Abdominal CT — axial view — W/L 400/40 HU — 56-year-old male patient
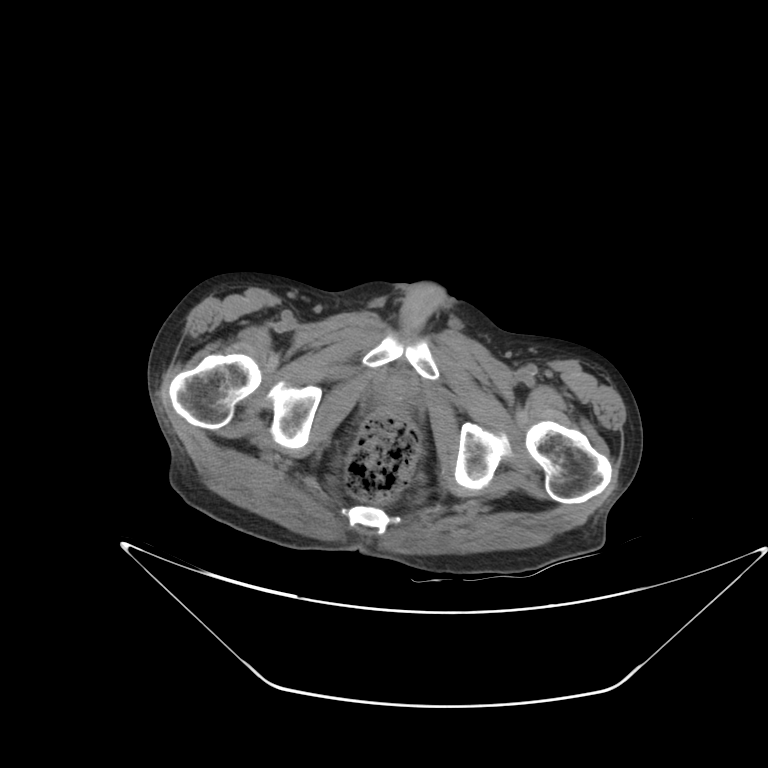

Bounding boxes as [x1, y1, x2, y2] in pixel coordinates.
Organ bounding boxes:
- prostate/uterus: [379, 384, 405, 406]